Abdominal CT — axial plane, index 74
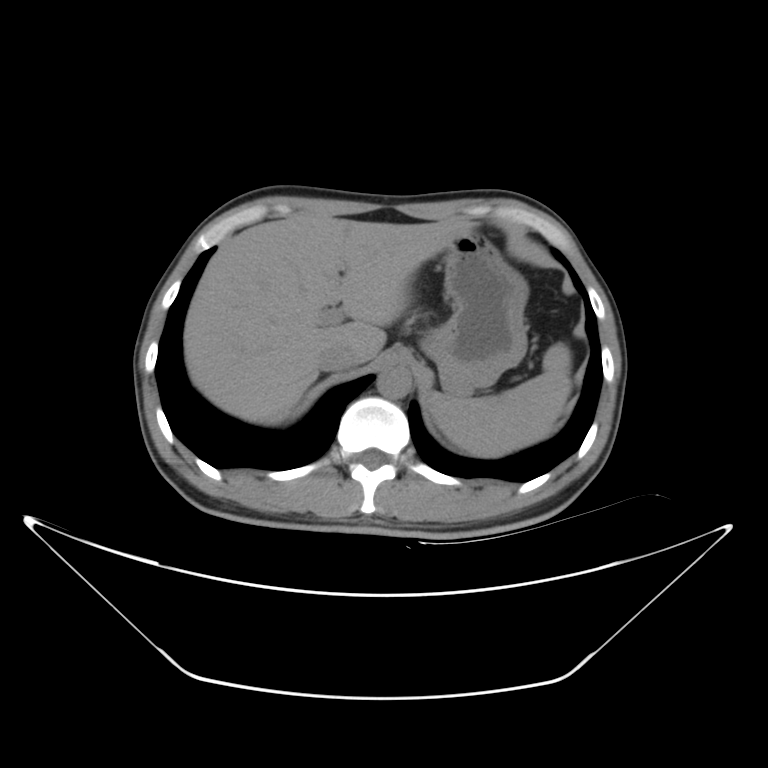 Each box given as x1,y1,x2,y2. 5 labeled organs on this slice — spleen at x1=429, y1=341, x2=572, y2=457; liver at x1=183, y1=216, x2=475, y2=424; stomach at x1=422, y1=231, x2=528, y2=393; aorta at x1=376, y1=366, x2=409, y2=398; inferior vena cava at x1=320, y1=346, x2=360, y2=370.